Abdominal CT; this slice is in the lower chest, just above the liver — axial view
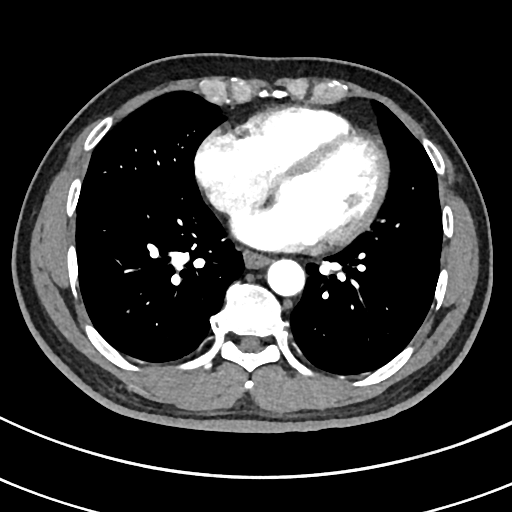 Of the structures in the chest, this dataset labels only the esophagus, the aorta and the inferior vena cava; the heart and lungs have no label. Boxes are (x1, y1, x2, y2) in pixels. Labeled organs on this slice: aorta at (266, 258, 304, 295), esophagus at (244, 250, 269, 267).